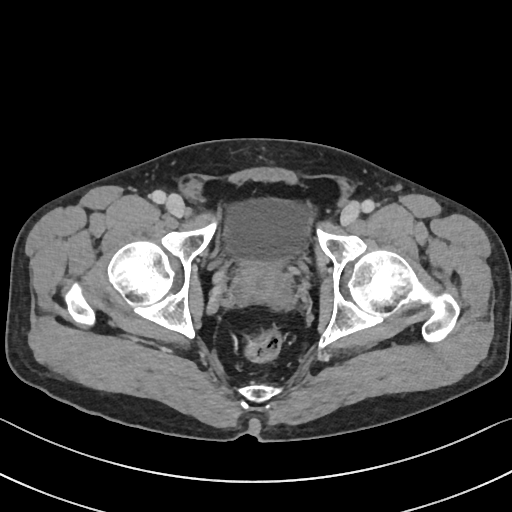

CT abdomen. axial view. 15 organs annotated in this scan (a whole-scan count: organs this slice does not pass through have no box)
Each box given as x1,y1,x2,y2.
bladder: x1=223, y1=199, x2=309, y2=262
prostate/uterus: x1=230, y1=261, x2=292, y2=309